Abdominal CT — axial plane, index 110 — 512x512 px — scan has 15 labeled organs (a whole-scan count: organs this slice does not pass through have no box)
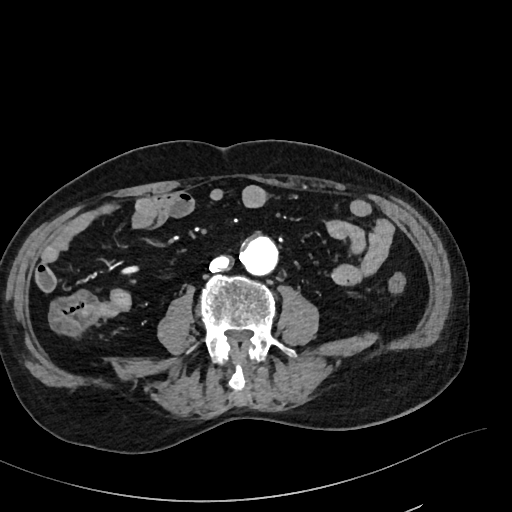 Bounding boxes in pixels, one row per box: x1, y1 is the top-left corner and x2, y2 the bottom-right.
| organ | x1 | y1 | x2 | y2 |
|---|---|---|---|---|
| aorta | 239 | 236 | 279 | 276 |
| inferior vena cava | 209 | 255 | 232 | 273 |